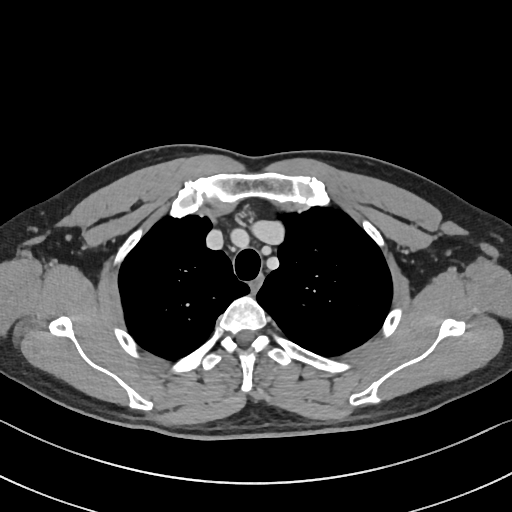 Chest-level slice from an abdominal CT that extends up into the chest; axial view; soft-tissue window (W 400 / L 40); acquired on SOMATOM Force
On a slice this high in the chest, this dataset labels only the esophagus and the aorta, and each is boxed only where it is labeled; the heart, lungs and other chest structures are not labeled.
Box edges are left/top/right/bottom in pixels.
esophagus: left=251, top=273, right=263, bottom=294